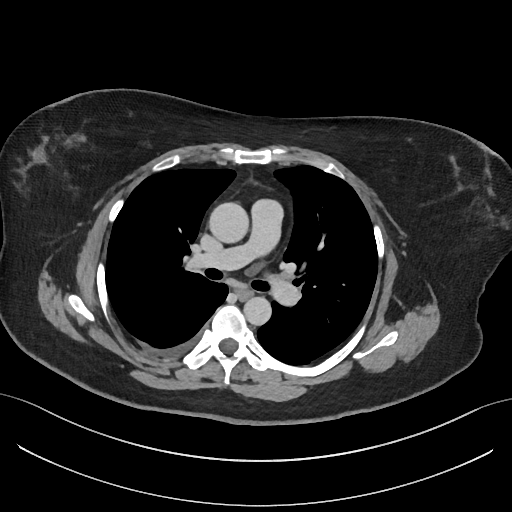
Chest-level CT slice, above the liver and spleen; axial view; 512x512 px
On a slice this high in the chest, this dataset labels only the esophagus and the aorta, and each is boxed only where it is labeled; the heart, lungs and other chest structures are not labeled.
Boxes: x1 y1 x2 y2 (pixel coords, space-separated).
Organ bounding boxes:
- esophagus: 236 287 252 298
- aorta: 209 202 249 242
- aorta: 243 296 271 325